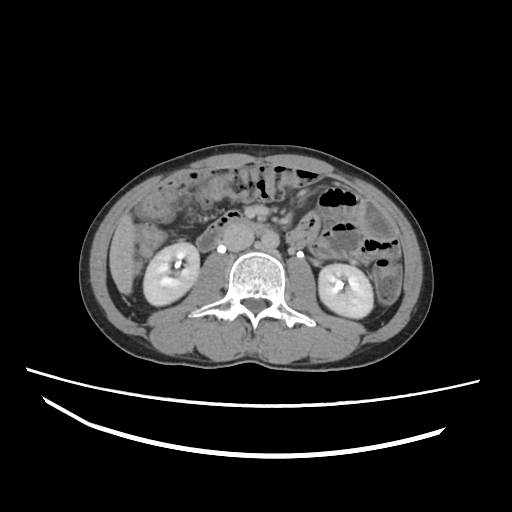 Computed tomography, abdomen — axial view
Boxes: x1:y1:x2:y2 in pixels.
Organ bounding boxes:
- right kidney: 143:242:198:306
- left kidney: 318:263:373:318
- liver: 109:213:134:295
- aorta: 260:231:279:249
- inferior vena cava: 222:223:254:249
- duodenum: 197:211:304:251